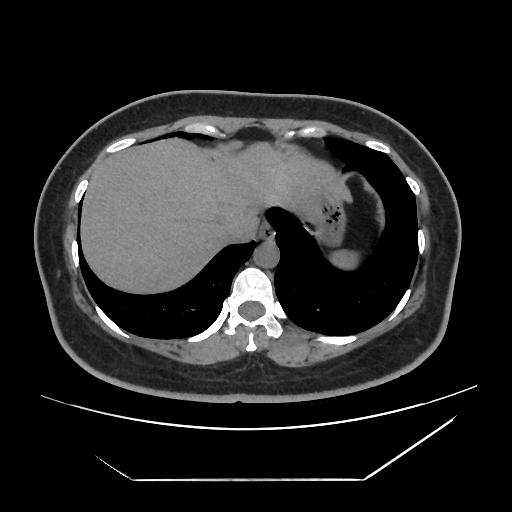

CT, abdomen/pelvis; axial plane, index 289; W/L 400/40 HU
{"organs":{"aorta":[254,241,279,268],"esophagus":[259,225,274,241],"liver":[81,139,348,291],"stomach":[318,191,343,237],"spleen":[333,252,352,266],"inferior vena cava":[222,216,258,242]}}